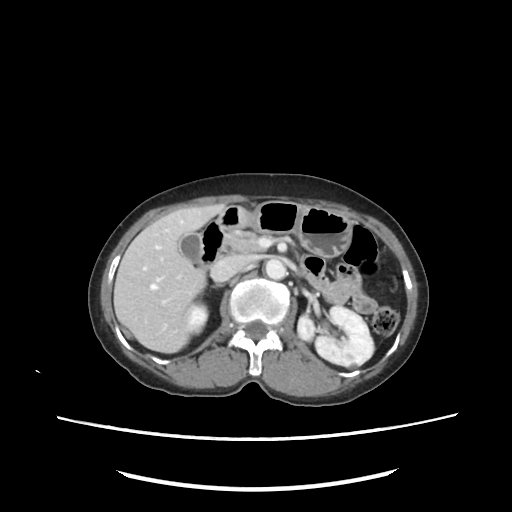
Computed tomography, abdomen · axial view · W/L 400/40 HU · 15 organs annotated in this scan (a whole-scan count: organs this slice does not pass through have no box)
One row per box, in pixels: columns x1 and y1 give the top-left corner, x2 and y2 the bottom-right.
| organ | x1 | y1 | x2 | y2 |
|---|---|---|---|---|
| right kidney | 186 | 303 | 208 | 333 |
| left kidney | 297 | 307 | 374 | 369 |
| gall bladder | 177 | 231 | 231 | 267 |
| liver | 113 | 204 | 225 | 352 |
| stomach | 219 | 200 | 353 | 257 |
| aorta | 266 | 257 | 286 | 279 |
| inferior vena cava | 211 | 256 | 247 | 281 |
| pancreas | 223 | 229 | 265 | 254 |
| right adrenal gland | 212 | 282 | 223 | 287 |
| duodenum | 201 | 218 | 223 | 268 |